Abdominal CT — axial view — 15 organs annotated in this scan (a whole-scan count: organs this slice does not pass through have no box)
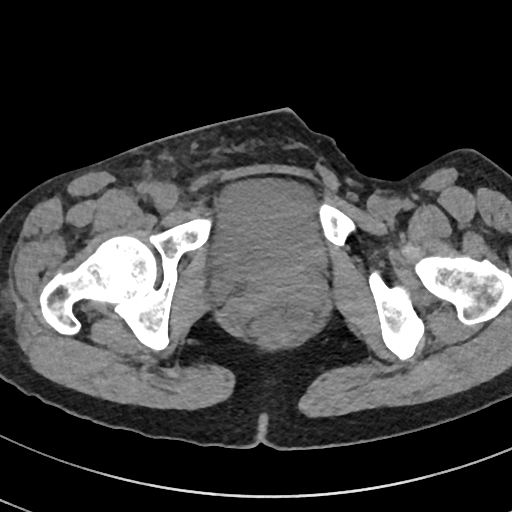
Coordinates as <box>x1,y1,x2,y2</box> in pixels.
Organ bounding boxes:
- bladder: <box>218,179,325,284</box>